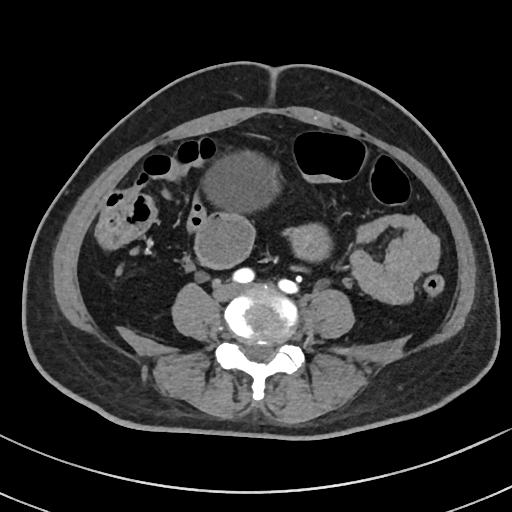

CT abdomen — axial view — soft-tissue window (W 400 / L 40) — acquired on SOMATOM Force
<organs><organ name="bladder" x1="202" y1="149" x2="279" y2="214"/><organ name="prostate/uterus" x1="292" y1="226" x2="330" y2="261"/></organs>